Computed tomography, abdomen — axial view — abdomen soft-tissue window — 512x512 px — SOMATOM Force scanner — 15 organs annotated in this scan (counted over the whole 3D scan, not this slice; an organ is boxed only where this slice passes through it)
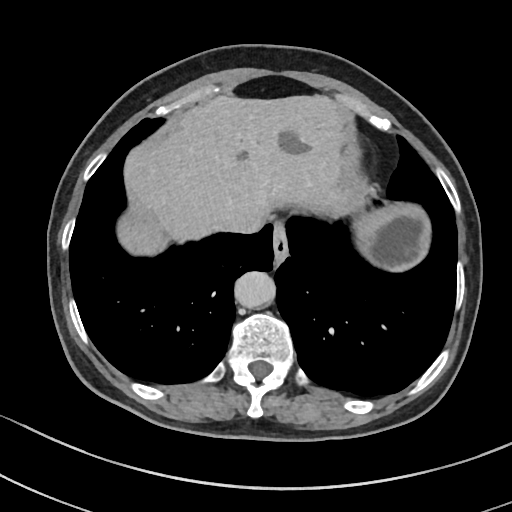 {"organs":{"stomach":[341,138,429,269],"inferior vena cava":[219,212,264,233],"liver":[117,95,349,255],"aorta":[234,271,275,308],"esophagus":[272,221,288,263]}}